Computed tomography, abdomen; axial view; 512x512 px
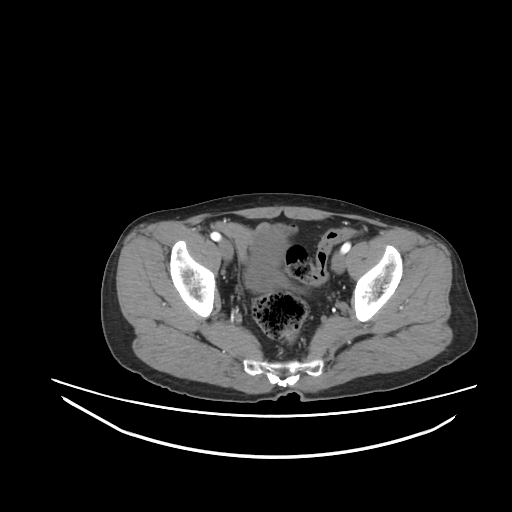

<organs><organ name="bladder" x1="245" y1="230" x2="285" y2="292"/></organs>